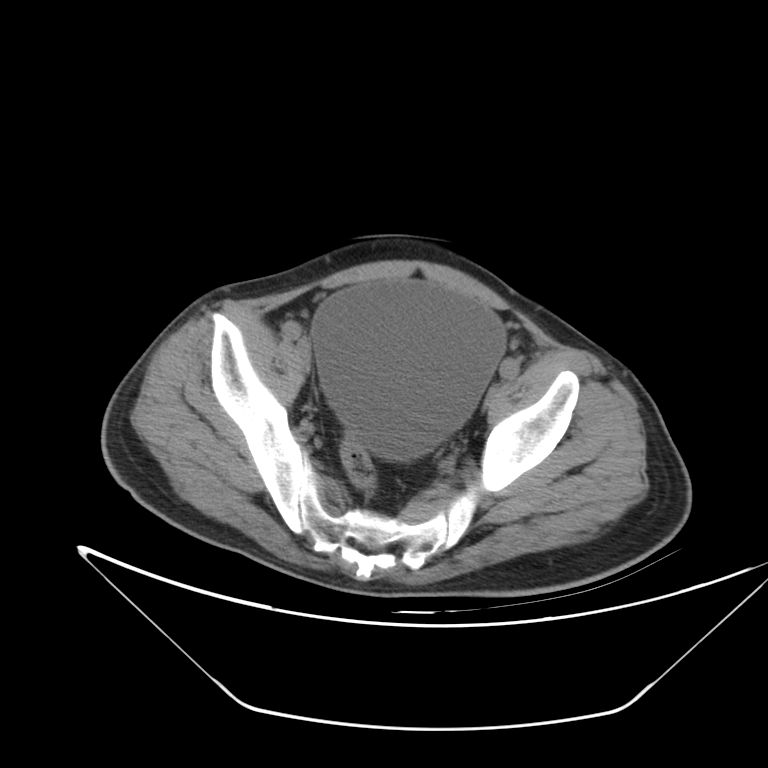 CT, abdomen/pelvis; axial plane, index 30; 768x768 px; 47-year-old male patient
Each box given as x1,y1,x2,y2.
Organ bounding boxes:
- bladder: x1=309, y1=280, x2=506, y2=459